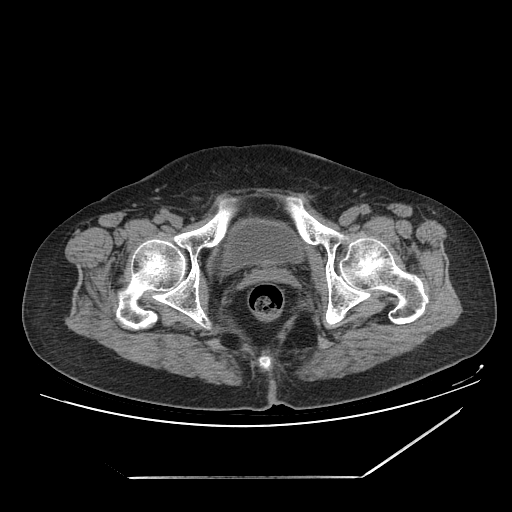

Computed tomography, abdomen; axial view; SOMATOM Force scanner; scan has 15 labeled organs (a whole-scan count: organs this slice does not pass through have no box)
Each box given as x1,y1,x2,y2.
Organ bounding boxes:
- bladder: x1=223, y1=218, x2=302, y2=271